Abdominal CT. axial view. soft-tissue window. 512x512 px. 49-year-old male patient. acquired on Aquilion ONE
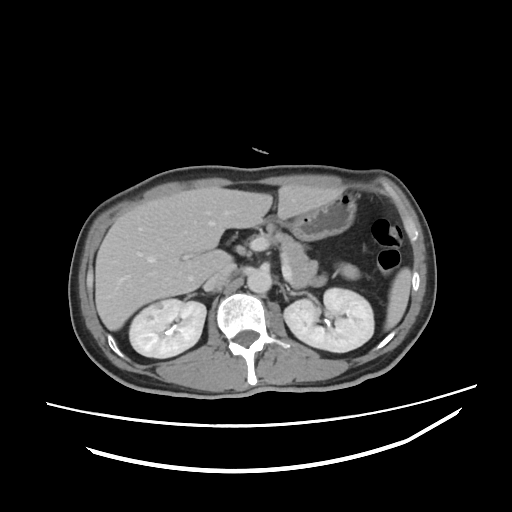 Bounding boxes as [x1, y1, x2, y2] in pixel coordinates.
spleen: [385, 267, 411, 330]
right kidney: [129, 299, 206, 358]
left kidney: [284, 288, 374, 352]
liver: [95, 184, 341, 330]
stomach: [286, 193, 356, 240]
aorta: [247, 269, 272, 293]
inferior vena cava: [204, 263, 235, 290]
pancreas: [266, 232, 317, 287]
left adrenal gland: [287, 288, 299, 295]